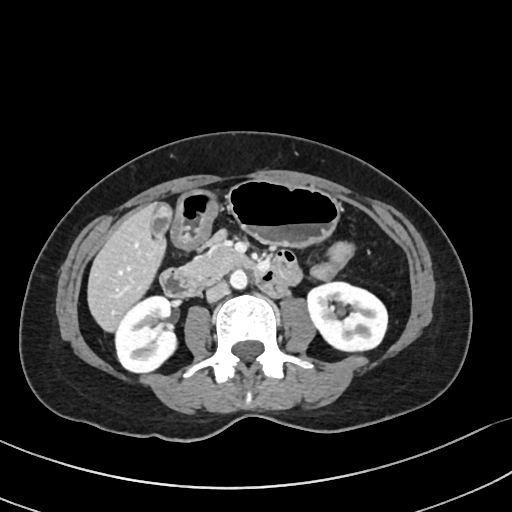
Abdominal CT; axial view
Boxes are (x1, y1, x2, y2) in pixels. Labeled organs on this slice: duodenum at (160, 251, 301, 296), gall bladder at (151, 203, 172, 237), pancreas at (182, 241, 245, 284), aorta at (230, 270, 247, 289), right kidney at (115, 296, 176, 372), left kidney at (307, 282, 387, 351), stomach at (171, 180, 340, 248), liver at (87, 203, 165, 331), inferior vena cava at (206, 281, 228, 301).